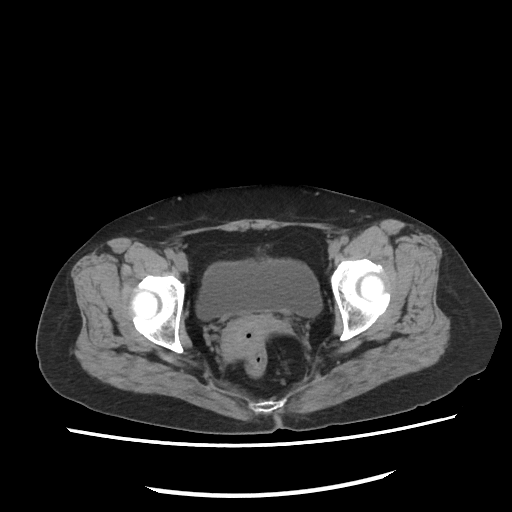
Abdominal CT; axial view
{"organs":{"prostate/uterus":[222,316,275,359],"bladder":[195,258,320,318]}}